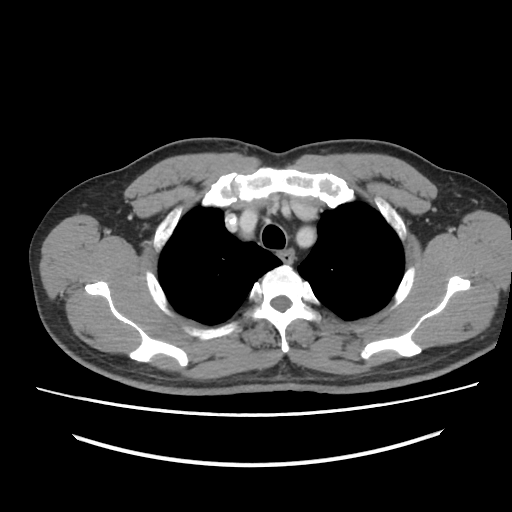 Chest-level CT slice, above the liver and spleen · axial view · Aquilion ONE scanner · 14 organs annotated in this scan (that count is for the whole scan; organs this slice misses have no box)
At this level of the chest this dataset labels only the esophagus and the aorta, and each is boxed only where it is labeled; the heart and lungs are never labeled.
{"organs":{"esophagus":[283,251,293,262]}}